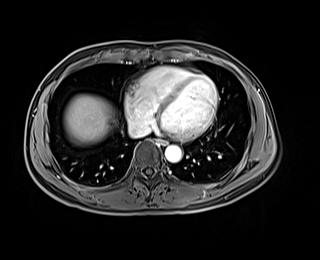

MRI, abdomen. axial view. 320x260 px
{"organs":{"esophagus":[158,139,167,145],"liver":[64,95,116,144],"aorta":[165,145,182,162],"inferior vena cava":[128,124,150,137]}}